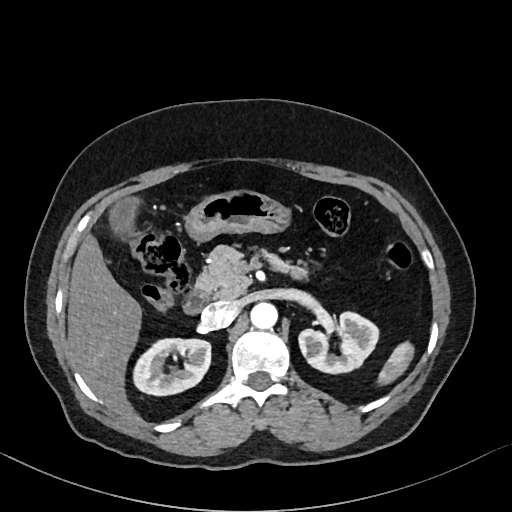

CT, abdomen/pelvis. axial view. scan has 15 labeled organs (that count is for the whole scan; organs this slice misses have no box)
Boxes: x1 y1 x2 y2 (pixel coords, space-separated). 10 labeled organs on this slice — spleen at 377 341 414 385; right kidney at 133 338 210 396; left kidney at 298 312 378 373; gall bladder at 110 198 139 236; liver at 67 234 142 413; stomach at 185 189 290 241; aorta at 250 302 277 329; inferior vena cava at 201 301 238 328; pancreas at 196 245 308 299; duodenum at 183 289 208 314.